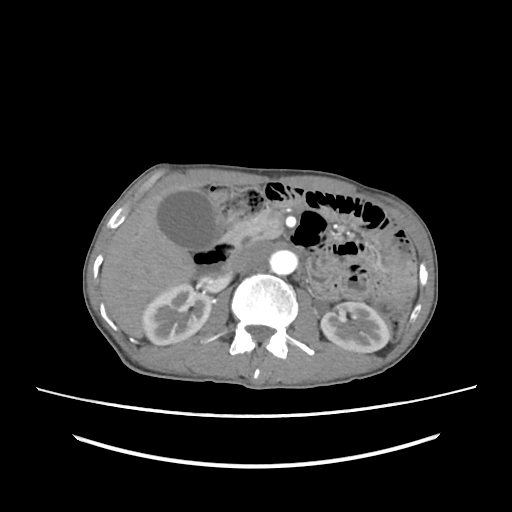

CT abdomen · axial view · 512x512 px · 62-year-old male patient
Organ boxes in pixel coordinates; each row gives the top-left (x1, y1) and bottom-right (x2, y2) corners.
| organ | x1 | y1 | x2 | y2 |
|---|---|---|---|---|
| right kidney | 142 | 284 | 212 | 345 |
| left kidney | 321 | 302 | 390 | 352 |
| gall bladder | 158 | 190 | 220 | 250 |
| liver | 100 | 183 | 202 | 338 |
| aorta | 269 | 250 | 297 | 274 |
| inferior vena cava | 228 | 242 | 268 | 273 |
| pancreas | 234 | 209 | 282 | 241 |
| duodenum | 195 | 225 | 241 | 277 |